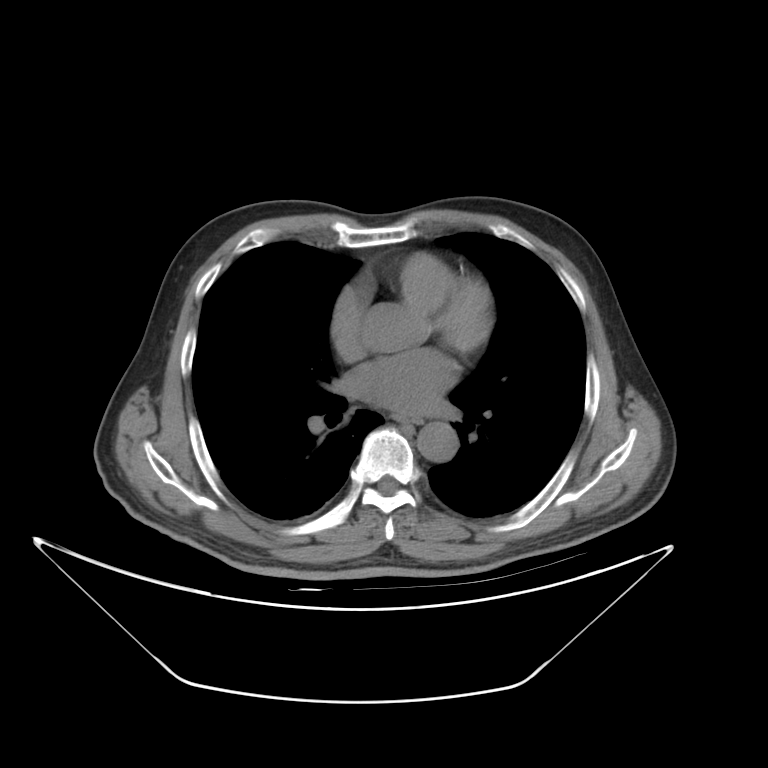

Lower-chest slice from an abdominal CT, just above the liver and spleen · axial view · soft-tissue window, W/L 400/40 · 768x768 px · 66-year-old male patient
No part of the heart or lungs is labeled in this dataset, so neither has a box here.
<organs><organ name="aorta" x1="415" y1="421" x2="456" y2="462"/></organs>